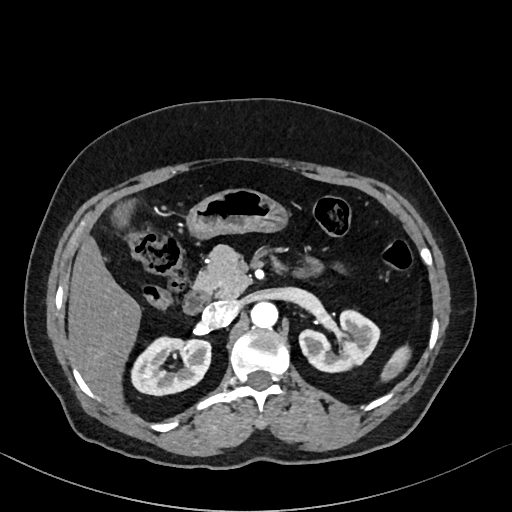
Computed tomography, abdomen; axial view; abdomen soft-tissue window; 15 organs annotated in this scan (that count is for the whole scan; organs this slice misses have no box)
Boxes: x1:y1:x2:y2 in pixels.
Organ bounding boxes:
- inferior vena cava: 204:300:238:325
- duodenum: 183:292:208:314
- gall bladder: 117:202:133:225
- stomach: 188:186:285:236
- aorta: 251:301:278:327
- left kidney: 300:308:380:370
- liver: 68:238:140:405
- spleen: 381:348:409:380
- right kidney: 131:337:210:395
- pancreas: 193:244:251:297